Computed tomography, abdomen — axial view
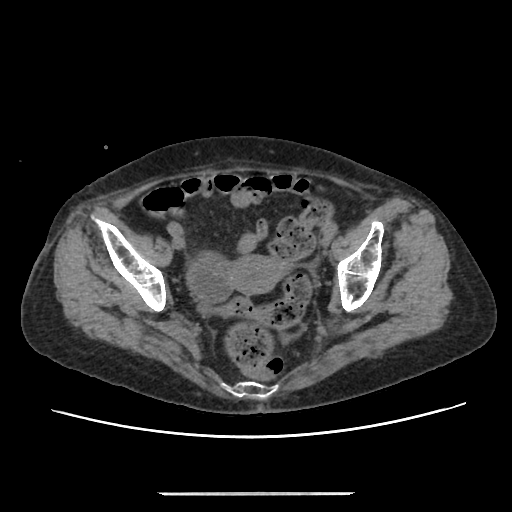 {"organs":{"prostate/uterus":[228,255,283,294]}}